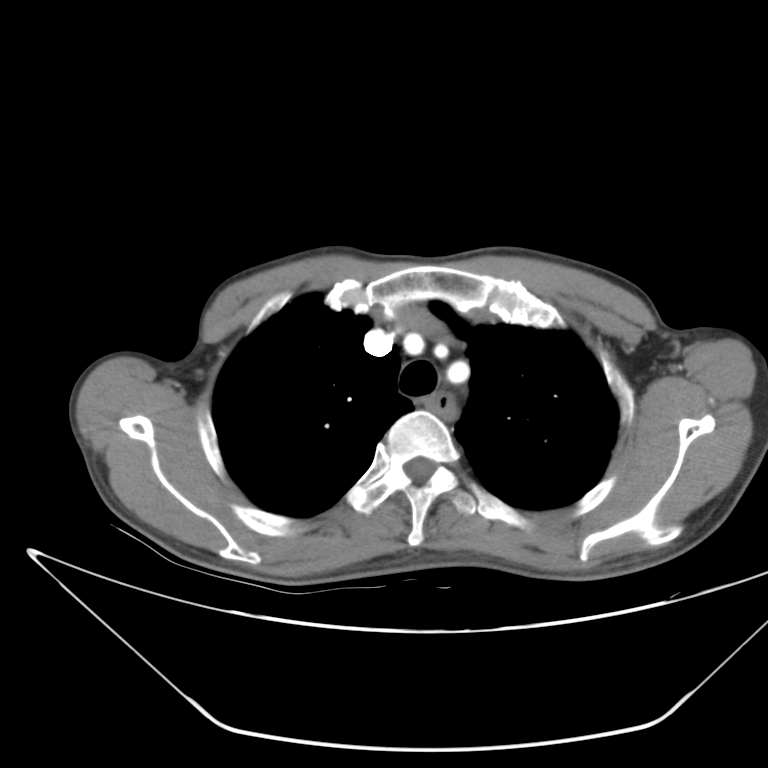
CT of the abdomen extending into the chest, slice through the chest · axial plane, index 90 · soft-tissue window · 768x768 px · 62-year-old male patient · scan has 13 labeled organs (that count is for the whole scan; organs this slice misses have no box)
At this level of the chest no structure but the esophagus and the aorta has a label in this dataset, and those two are boxed only where they are labeled.
Coordinates as <box>x1,y1,x2,y2</box> in pixels.
esophagus: <box>427,392,455,419</box>